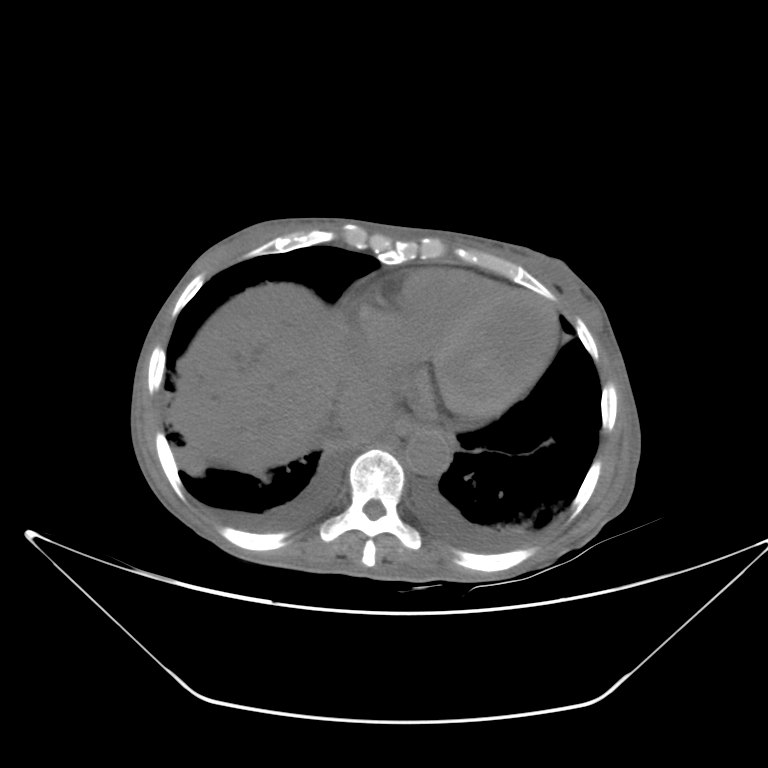
CT abdomen; axial plane, index 95; soft-tissue window (W 400 / L 40); scan has 15 labeled organs (a whole-scan count: organs this slice does not pass through have no box)
<organs><organ name="esophagus" x1="387" y1="416" x2="424" y2="437"/><organ name="liver" x1="169" y1="282" x2="359" y2="473"/><organ name="aorta" x1="405" y1="430" x2="450" y2="476"/><organ name="inferior vena cava" x1="337" y1="377" x2="394" y2="441"/></organs>